Abdominal CT. axial plane, index 180. soft-tissue window (W 400 / L 40). 512x512 px
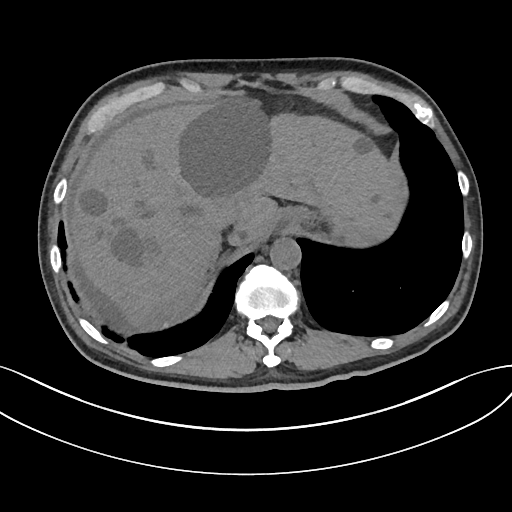

<organs><organ name="spleen" x1="344" y1="221" x2="391" y2="241"/><organ name="esophagus" x1="276" y1="208" x2="296" y2="233"/><organ name="liver" x1="73" y1="104" x2="401" y2="326"/><organ name="stomach" x1="285" y1="207" x2="317" y2="221"/><organ name="aorta" x1="270" y1="237" x2="301" y2="270"/><organ name="inferior vena cava" x1="216" y1="208" x2="237" y2="228"/></organs>